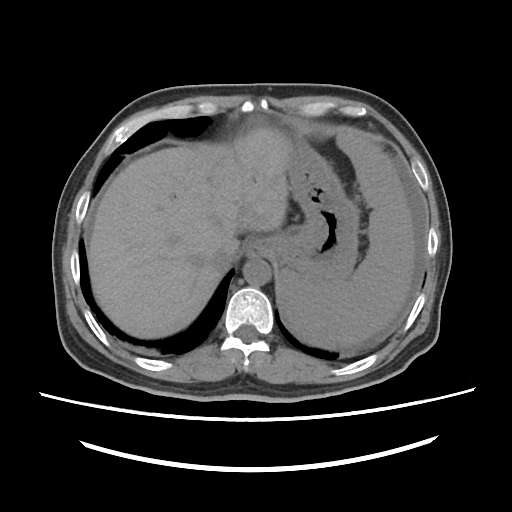

CT, abdomen/pelvis · axial view · W/L 400/40 HU · 512x512 px
Organ boxes in pixel coordinates; each row gives the top-left (x1, y1) and bottom-right (x2, y2) corners.
| organ | x1 | y1 | x2 | y2 |
|---|---|---|---|---|
| spleen | 277 | 130 | 415 | 348 |
| liver | 88 | 127 | 338 | 338 |
| stomach | 247 | 142 | 359 | 284 |
| aorta | 243 | 258 | 271 | 286 |
| inferior vena cava | 211 | 242 | 237 | 271 |